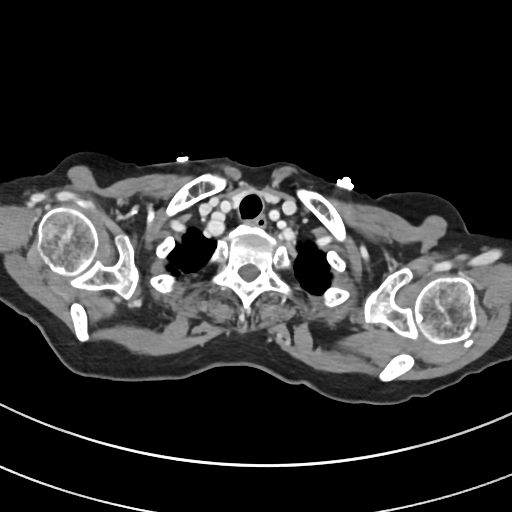
Chest-level slice from an abdominal CT that extends up into the chest — axial view
On a slice this high in the chest, this dataset labels only the esophagus and the aorta, and each is boxed only where it is labeled; the heart, lungs and other chest structures are not labeled.
Coordinates as <box>x1,y1,x2,y2</box> in pixels.
Organ bounding boxes:
- esophagus: <box>250,214,267,227</box>